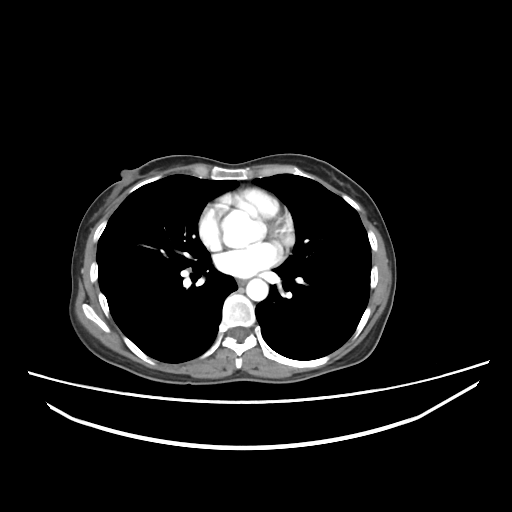 Chest-level slice from an abdominal CT that extends up into the chest — axial view — 512x512 px
On a slice this high in the chest, this dataset labels only the esophagus and the aorta, and each is boxed only where it is labeled; the heart, lungs and other chest structures are not labeled.
{"organs":{"esophagus":[237,279,246,285],"aorta":[246,278,268,301]}}